CT abdomen. Axial slice 135/163. 512x512 px. scan has 15 labeled organs (that count is for the whole scan; organs this slice misses have no box)
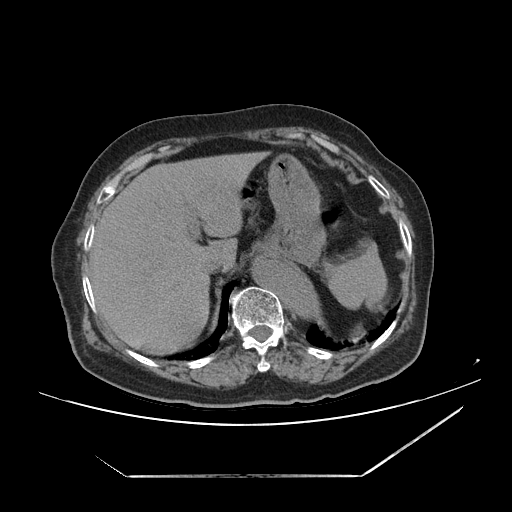
<organs><organ name="aorta" x1="252" y1="260" x2="318" y2="316"/><organ name="inferior vena cava" x1="201" y1="255" x2="232" y2="273"/><organ name="stomach" x1="259" y1="153" x2="326" y2="265"/><organ name="spleen" x1="326" y1="243" x2="387" y2="309"/><organ name="liver" x1="89" y1="151" x2="269" y2="355"/></organs>